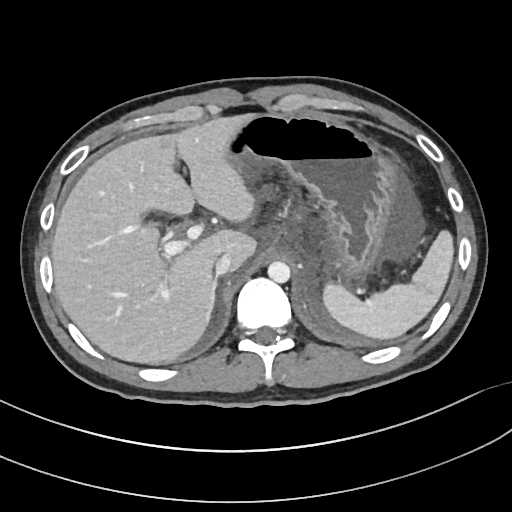

Computed tomography, abdomen; axial plane, index 193; W/L 400/40 HU; 512x512 px; 15 organs annotated in this scan (counted over the whole 3D scan, not this slice; an organ is boxed only where this slice passes through it)
<organs><organ name="spleen" x1="321" y1="232" x2="452" y2="338"/><organ name="liver" x1="52" y1="115" x2="256" y2="364"/><organ name="stomach" x1="229" y1="115" x2="406" y2="281"/><organ name="aorta" x1="268" y1="261" x2="290" y2="283"/><organ name="inferior vena cava" x1="215" y1="253" x2="231" y2="275"/><organ name="right adrenal gland" x1="207" y1="280" x2="219" y2="324"/></organs>